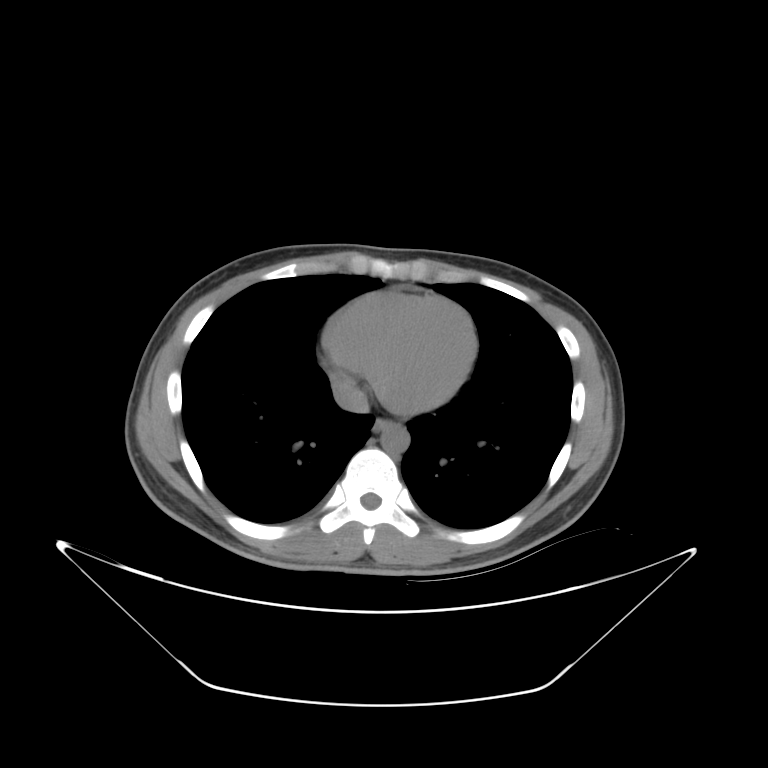
CT of the abdomen reaching into the lower chest, slice just above the liver and spleen; axial plane, index 98; soft-tissue window
Of the structures in the chest, this dataset labels only the esophagus, the aorta and the inferior vena cava; the heart and lungs have no label. Boxes are (x1, y1, x2, y2) in pixels. The annotated organs in this slice are: inferior vena cava at (333, 377, 369, 411), esophagus at (373, 419, 388, 436), aorta at (380, 425, 411, 452).